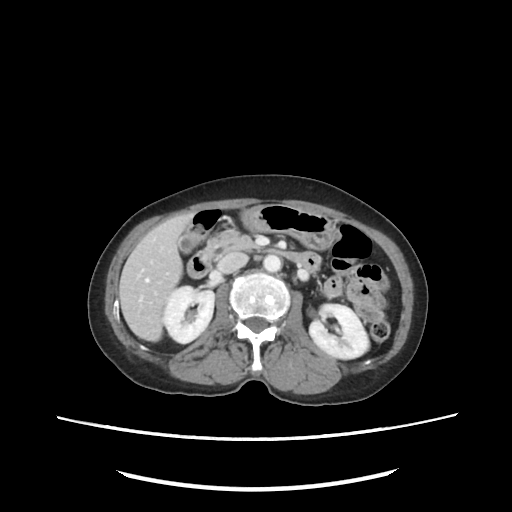

CT abdomen. axial view. abdomen soft-tissue window. 73-year-old female patient. scan has 15 labeled organs (counted over the whole 3D scan, not this slice; an organ is boxed only where this slice passes through it)
Organ boxes in pixel coordinates; each row gives the top-left (x1, y1) and bottom-right (x2, y2) corners.
| organ | x1 | y1 | x2 | y2 |
|---|---|---|---|---|
| inferior vena cava | 216 | 252 | 248 | 274 |
| duodenum | 186 | 250 | 321 | 279 |
| liver | 118 | 212 | 194 | 343 |
| aorta | 262 | 255 | 281 | 272 |
| gall bladder | 178 | 233 | 195 | 253 |
| left kidney | 308 | 303 | 369 | 358 |
| pancreas | 204 | 229 | 260 | 258 |
| right kidney | 163 | 286 | 213 | 343 |
| stomach | 239 | 203 | 339 | 249 |